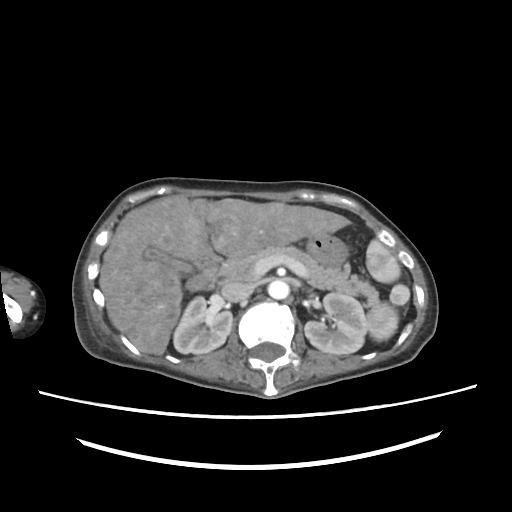
CT abdomen · axial plane, index 58 · 512x512 px · 48-year-old female patient · 15 organs annotated in this scan (counted over the whole 3D scan, not this slice; an organ is boxed only where this slice passes through it)
Bounding boxes in pixels, one row per box: x1, y1 is the top-left corner and x2, y2 the bottom-right.
| organ | x1 | y1 | x2 | y2 |
|---|---|---|---|---|
| spleen | 366 | 239 | 408 | 341 |
| right kidney | 173 | 296 | 232 | 353 |
| left kidney | 304 | 292 | 366 | 354 |
| gall bladder | 143 | 247 | 194 | 272 |
| liver | 99 | 196 | 350 | 355 |
| stomach | 237 | 234 | 348 | 266 |
| aorta | 268 | 280 | 289 | 299 |
| inferior vena cava | 221 | 281 | 252 | 302 |
| pancreas | 202 | 245 | 377 | 305 |
| duodenum | 185 | 251 | 221 | 291 |